Computed tomography, abdomen — axial view — 61-year-old male patient — Aquilion ONE scanner
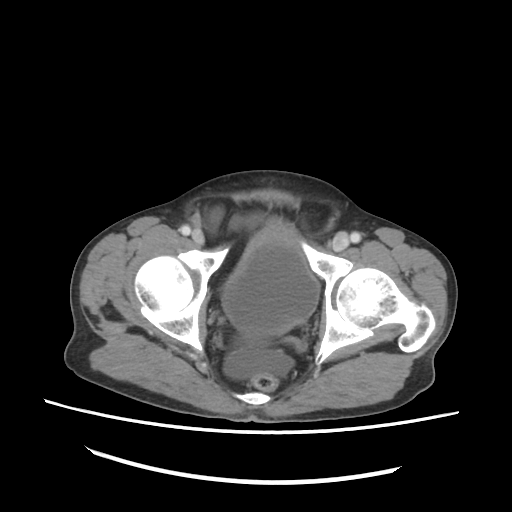

<organs><organ name="bladder" x1="223" y1="225" x2="318" y2="334"/></organs>